CT, abdomen/pelvis; axial view; 512x512 px
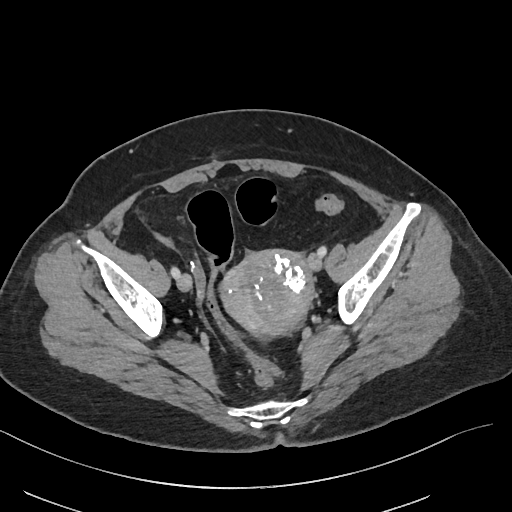 Boxes: x1:y1:x2:y2 in pixels.
Organ bounding boxes:
- prostate/uterus: 221:251:314:334